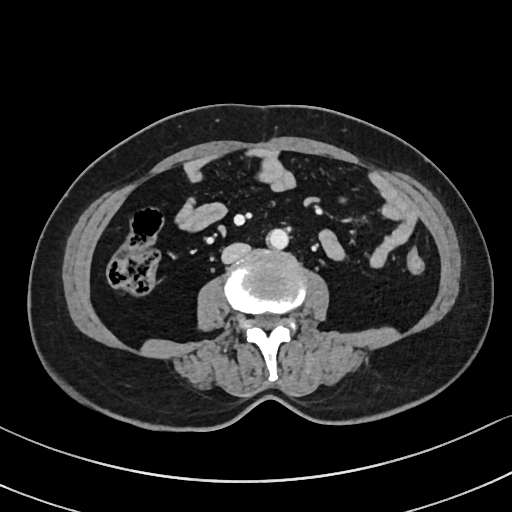
Computed tomography, abdomen; Axial slice 119/314; soft-tissue window (W 400 / L 40); 512x512 px; acquired on SOMATOM Force
Boxes: x1:y1:x2:y2 in pixels. 2 labeled organs on this slice — aorta at 266:229:288:248; inferior vena cava at 221:243:250:263.